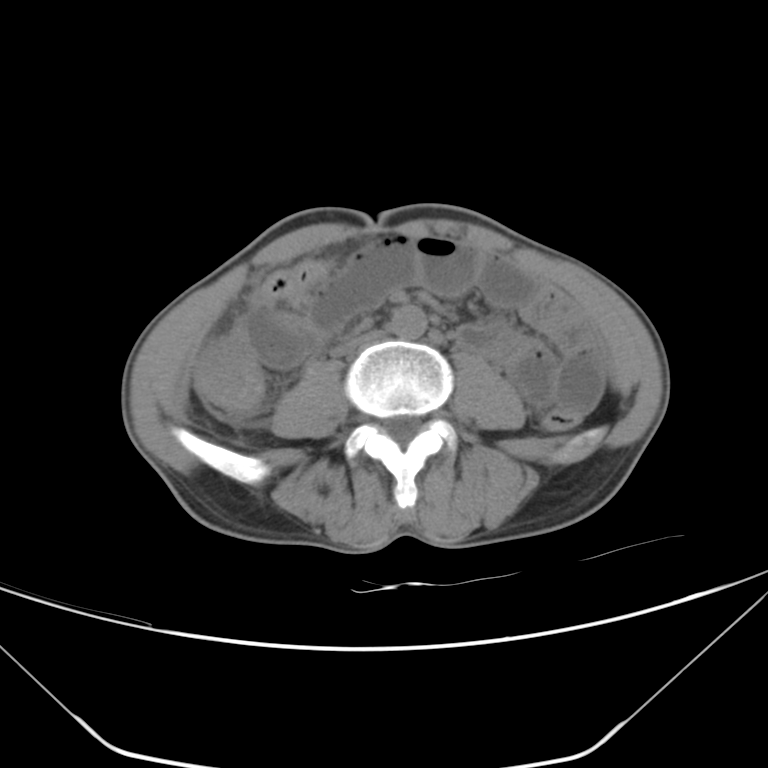

Abdominal CT · Axial slice 45/85
{"organs":{"aorta":[389,305,427,339],"inferior vena cava":[332,329,386,356]}}